Chest-level slice from an abdominal CT that extends up into the chest · axial view · W/L 400/40 HU
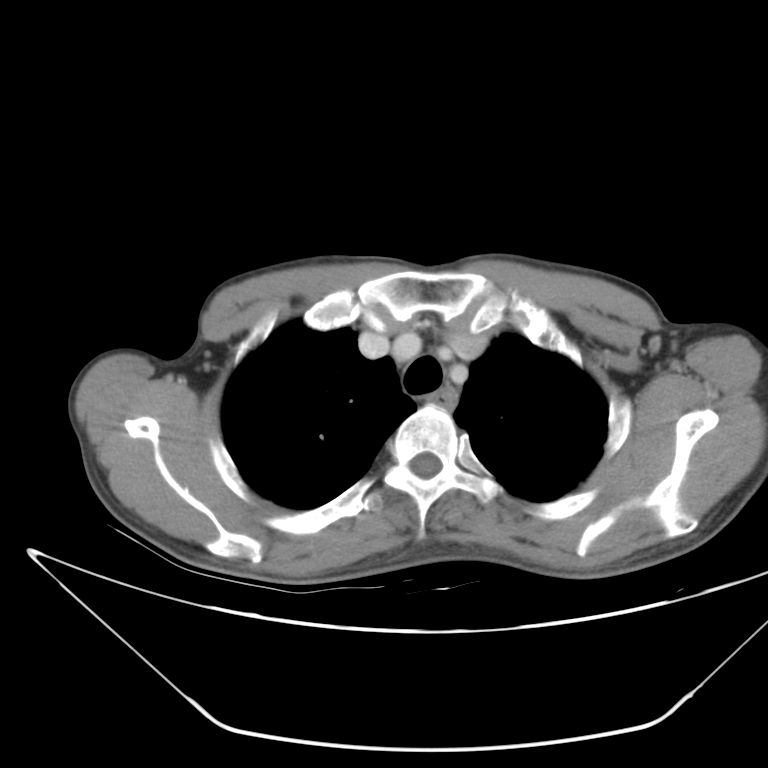 On a slice this high in the chest, this dataset labels only the esophagus and the aorta, and each is boxed only where it is labeled; the heart, lungs and other chest structures are not labeled. Box edges are left/top/right/bottom in pixels. The annotated organs in this slice are: esophagus at left=427, top=386, right=458, bottom=410.